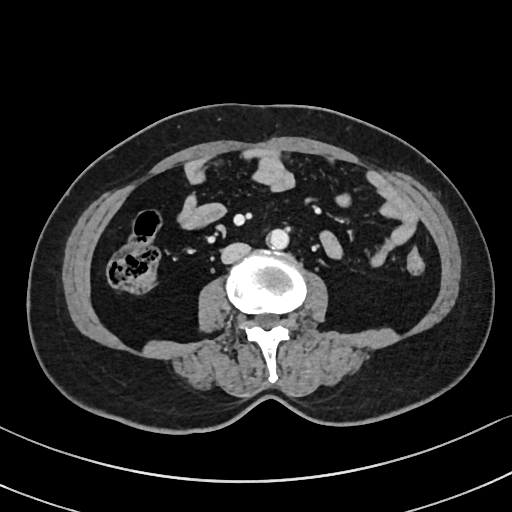 CT, abdomen/pelvis. axial view. scan has 14 labeled organs (counted over the whole 3D scan, not this slice; an organ is boxed only where this slice passes through it)
Box edges are left/top/right/bottom in pixels.
aorta: left=266, top=229, right=288, bottom=248
inferior vena cava: left=221, top=243, right=250, bottom=263